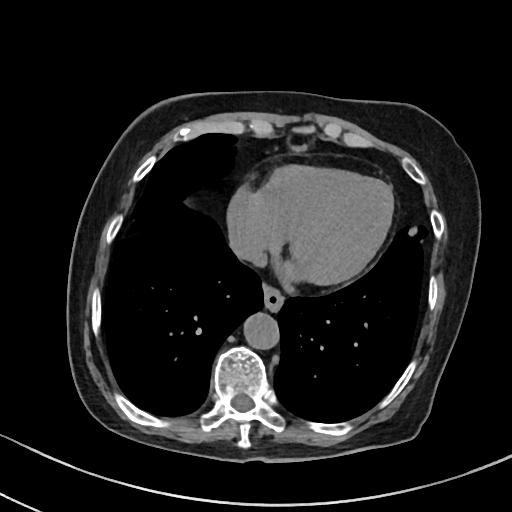 Lower-chest slice from an abdominal CT, just above the liver and spleen · axial view · 512x512 px · acquired on SOMATOM Force
The heart and lungs are never labeled in this dataset, so they have no box on this slice. Bounding boxes as [x1, y1, x2, y2] in pixel coordinates. The annotated organs in this slice are: esophagus at [263, 286, 283, 311], aorta at [243, 312, 279, 349], inferior vena cava at [229, 226, 262, 261].